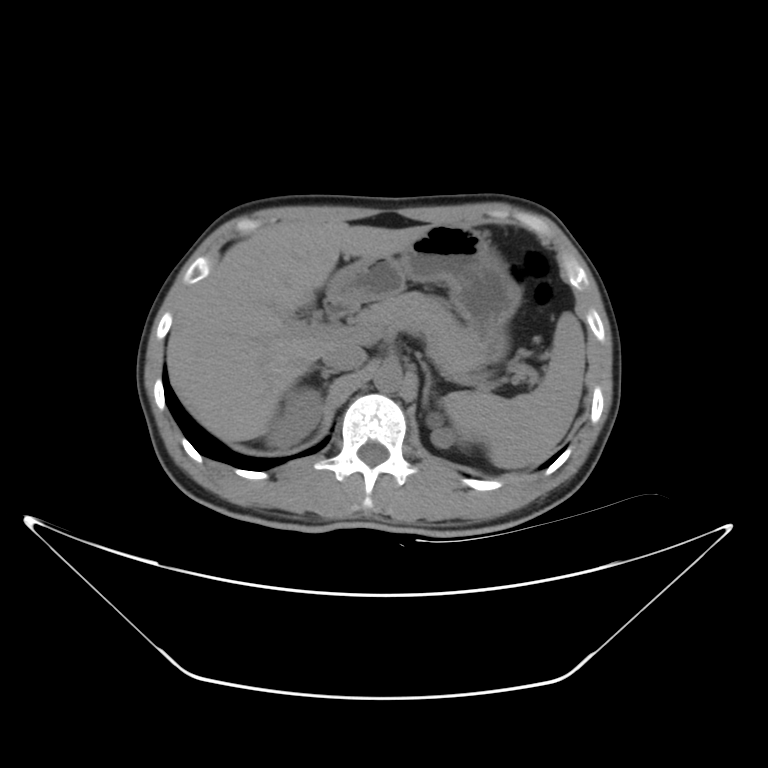
CT, abdomen/pelvis · axial plane, index 70 · 768x768 px · 31-year-old male patient · Brilliance16 scanner · scan has 15 labeled organs (a whole-scan count: organs this slice does not pass through have no box)
Boxes are (x1, y1, x2, y2) in pixels.
liver: (167, 221, 434, 442)
duodenum: (324, 297, 349, 322)
spleen: (443, 313, 587, 470)
left kidney: (422, 407, 465, 450)
stomach: (326, 223, 523, 362)
left adrenal gland: (422, 367, 429, 411)
right adrenal gland: (301, 368, 335, 379)
aorta: (370, 365, 402, 391)
right kidney: (267, 387, 321, 447)
pancreas: (348, 292, 487, 370)
inferior vena cava: (320, 339, 365, 368)